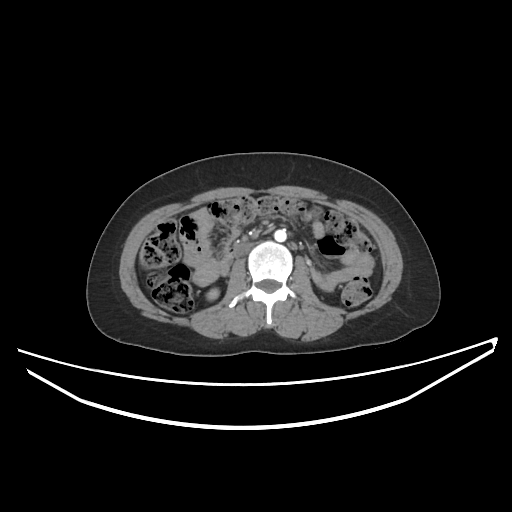 Computed tomography, abdomen; axial view; 512x512 px; 37-year-old female patient
Organ boxes in pixel coordinates; each row gives the top-left (x1, y1) and bottom-right (x2, y2) corners.
| organ | x1 | y1 | x2 | y2 |
|---|---|---|---|---|
| right kidney | 207 | 288 | 218 | 299 |
| aorta | 274 | 229 | 286 | 241 |
| inferior vena cava | 232 | 244 | 253 | 257 |
| duodenum | 220 | 253 | 233 | 275 |